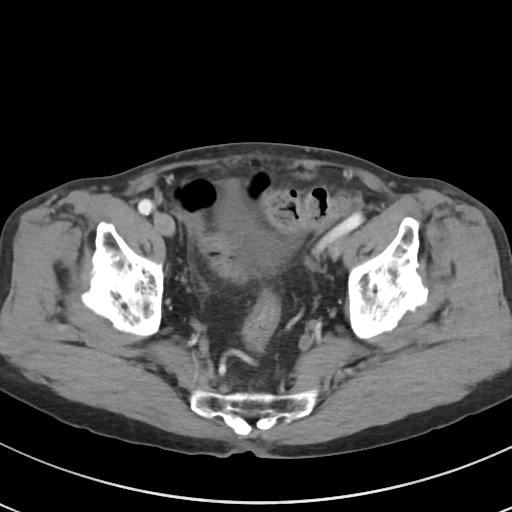 CT, abdomen/pelvis; axial view
Each box given as x1,y1,x2,y2.
bladder: x1=217, y1=180, x2=294, y2=270